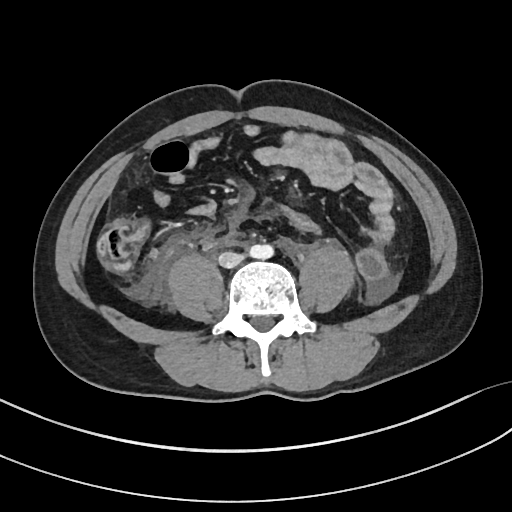
CT, abdomen/pelvis — axial view — 512x512 px — acquired on SOMATOM Force
Bounding boxes as [x1, y1, x2, y2] in pixel coordinates. 2 labeled organs on this slice — aorta at [249, 244, 273, 259]; inferior vena cava at [219, 251, 243, 267].